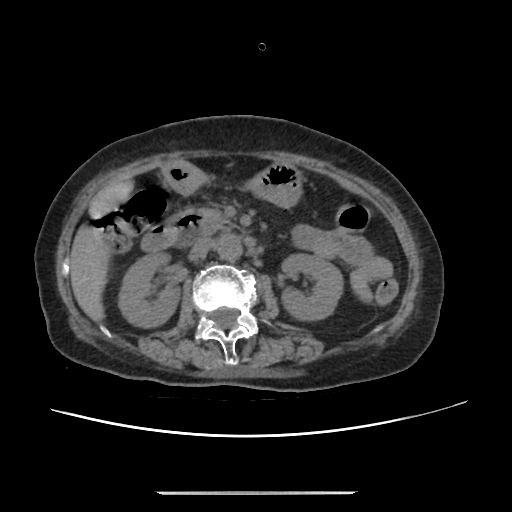 CT abdomen; axial plane, index 226; soft-tissue window (W 400 / L 40); 512x512 px; SOMATOM Force scanner; scan has 14 labeled organs (that count is for the whole scan; organs this slice misses have no box)
Bounding boxes in pixels, one row per box: x1, y1 is the top-left corner and x2, y2 the bottom-right.
| organ | x1 | y1 | x2 | y2 |
|---|---|---|---|---|
| right kidney | 118 | 253 | 180 | 327 |
| left kidney | 281 | 254 | 343 | 320 |
| liver | 70 | 179 | 133 | 321 |
| stomach | 164 | 160 | 302 | 207 |
| aorta | 216 | 234 | 242 | 261 |
| inferior vena cava | 189 | 240 | 212 | 260 |
| pancreas | 200 | 207 | 235 | 235 |
| duodenum | 141 | 209 | 205 | 252 |